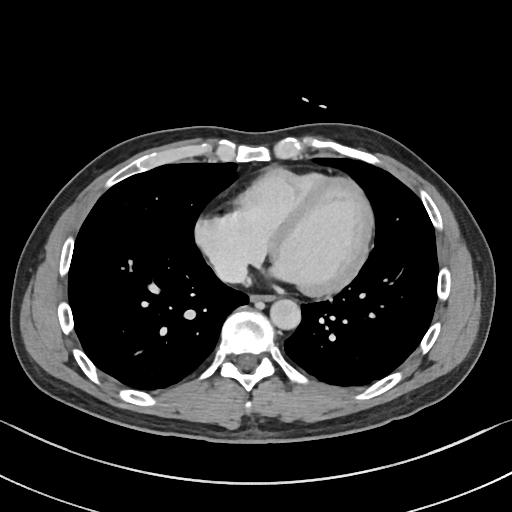 CT of the abdomen reaching into the lower chest, slice just above the liver and spleen. Axial slice 198/291. soft-tissue window. 512x512 px. acquired on SOMATOM Force. 15 organs annotated in this scan (counted over the whole 3D scan, not this slice; an organ is boxed only where this slice passes through it)
No part of the heart or lungs is labeled in this dataset, so neither has a box here.
{"organs":{"aorta":[270,298,300,329],"esophagus":[251,294,275,300],"inferior vena cava":[213,254,247,283]}}